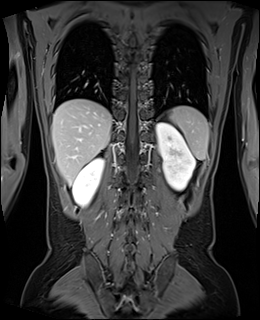
Magnetic resonance imaging, abdomen — coronal plane, index 50 — percentile-normalized — scan has 13 labeled organs (counted over the whole 3D scan, not this slice; an organ is boxed only where this slice passes through it)
<organs><organ name="left kidney" x1="156" y1="122" x2="195" y2="190"/><organ name="right kidney" x1="72" y1="158" x2="103" y2="206"/><organ name="liver" x1="52" y1="99" x2="112" y2="184"/><organ name="spleen" x1="170" y1="106" x2="208" y2="159"/></organs>